CT of the abdomen extending into the chest, slice through the chest — axial view — soft-tissue window — acquired on Aquilion ONE
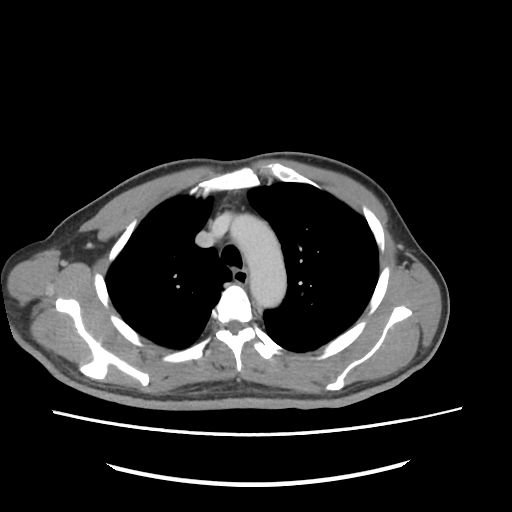

At this level of the chest this dataset labels only the esophagus and the aorta, and each is boxed only where it is labeled; the heart and lungs are never labeled. Boxes are (x1, y1, x2, y2) in pixels. 2 labeled organs on this slice — aorta at (231, 214, 286, 307); esophagus at (234, 271, 248, 285).